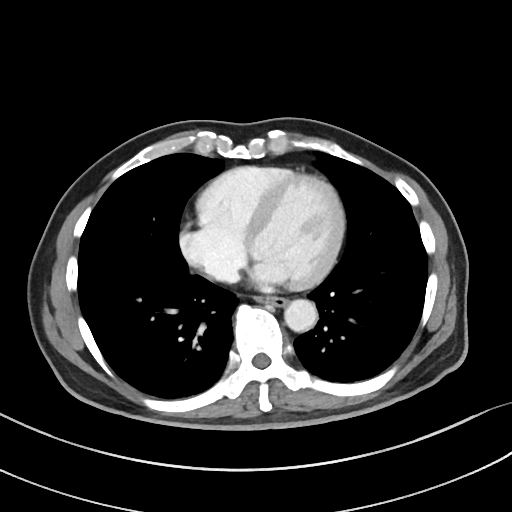
Lower-chest slice from an abdominal CT, just above the liver and spleen; Axial slice 88/128; soft-tissue window; 512x512 px
Of the structures in the chest, this dataset labels only the esophagus, the aorta and the inferior vena cava; the heart and lungs have no label. Box edges are left/top/right/bottom in pixels. Labeled organs on this slice: esophagus at left=266, top=296, right=287, bottom=306, aorta at left=284, top=299, right=317, bottom=332.